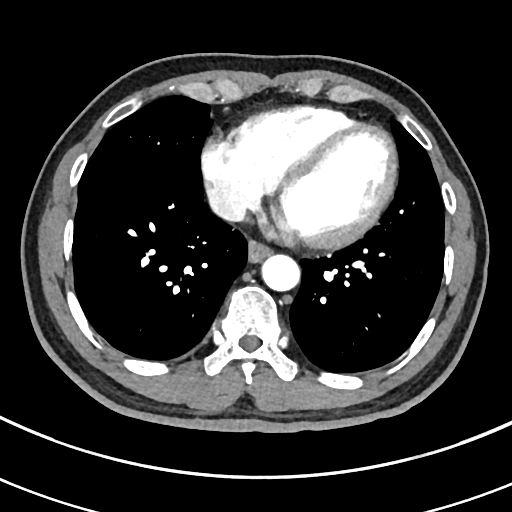
Lower-chest slice from an abdominal CT, just above the liver and spleen — axial plane, index 202 — soft-tissue window (W 400 / L 40) — 512x512 px — acquired on SOMATOM Force
Of the structures in the chest, this dataset labels only the esophagus, the aorta and the inferior vena cava; the heart and lungs have no label. Bounding boxes as [x1, y1, x2, y2] in pixel coordinates. The annotated organs in this slice are: inferior vena cava at [207, 187, 246, 221], aorta at [262, 255, 300, 291], esophagus at [247, 242, 270, 263].